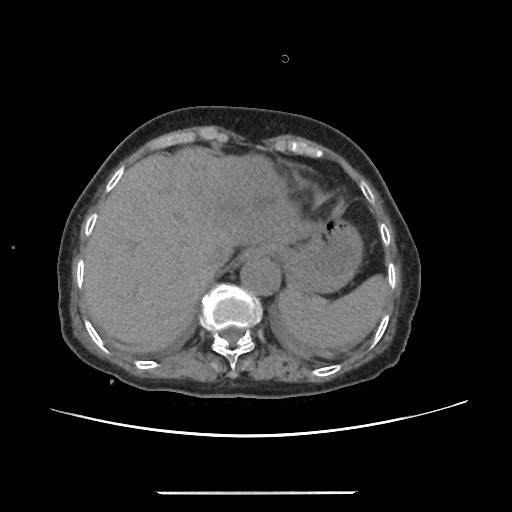

Abdominal CT. axial plane, index 294. soft-tissue window (W 400 / L 40). 512x512 px
Each box given as x1,y1,x2,y2. 6 labeled organs on this slice — spleen at x1=278, y1=274, x2=387, y2=352; esophagus at x1=240, y1=247, x2=265, y2=262; liver at x1=83, y1=147, x2=315, y2=346; stomach at x1=264, y1=215, x2=362, y2=293; aorta at x1=240, y1=257, x2=280, y2=295; inferior vena cava at x1=205, y1=244, x2=232, y2=273.